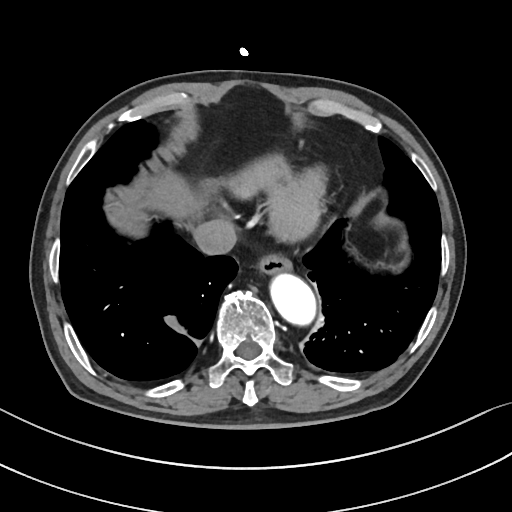

Abdominal CT. axial view
<organs><organ name="esophagus" x1="258" y1="257" x2="292" y2="277"/><organ name="liver" x1="107" y1="170" x2="195" y2="229"/><organ name="aorta" x1="272" y1="276" x2="316" y2="327"/><organ name="inferior vena cava" x1="194" y1="221" x2="236" y2="255"/></organs>